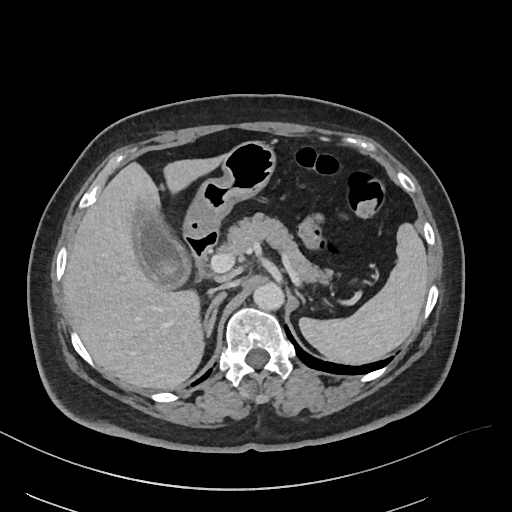 Computed tomography, abdomen — axial plane, index 180 — 512x512 px
<organs><organ name="spleen" x1="299" y1="223" x2="428" y2="364"/><organ name="gall bladder" x1="134" y1="200" x2="189" y2="286"/><organ name="liver" x1="64" y1="154" x2="226" y2="389"/><organ name="stomach" x1="183" y1="141" x2="275" y2="235"/><organ name="aorta" x1="253" y1="282" x2="284" y2="310"/><organ name="inferior vena cava" x1="210" y1="281" x2="236" y2="292"/><organ name="pancreas" x1="220" y1="213" x2="332" y2="283"/><organ name="right adrenal gland" x1="203" y1="292" x2="226" y2="337"/><organ name="left adrenal gland" x1="293" y1="290" x2="305" y2="300"/><organ name="duodenum" x1="185" y1="232" x2="218" y2="271"/></organs>